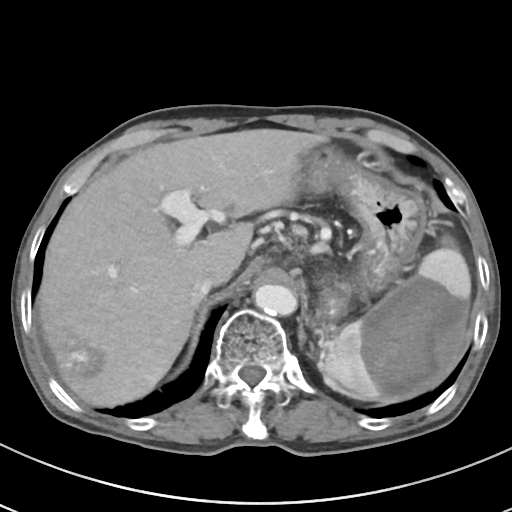
Abdominal CT. axial view
Bounding boxes as [x1, y1, x2, y2] in pixel coordinates.
spleen: [321, 236, 471, 402]
liver: [37, 129, 322, 406]
stomach: [300, 146, 426, 317]
inferior vena cava: [192, 273, 217, 309]
aorta: [254, 284, 296, 315]